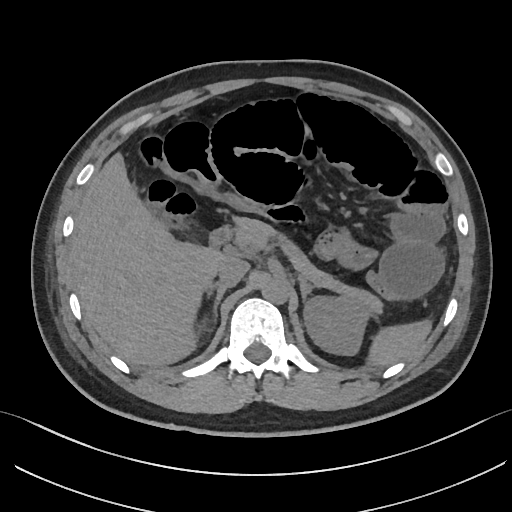
CT abdomen; Axial slice 171/234; soft-tissue window
One row per box, in pixels: columns x1 and y1 give the top-left corner, x2 and y2 the bottom-right.
| organ | x1 | y1 | x2 | y2 |
|---|---|---|---|---|
| pancreas | 234 | 217 | 382 | 313 |
| liver | 69 | 153 | 226 | 365 |
| inferior vena cava | 218 | 258 | 249 | 284 |
| spleen | 367 | 319 | 431 | 365 |
| right adrenal gland | 206 | 282 | 234 | 330 |
| duodenum | 209 | 226 | 232 | 248 |
| left adrenal gland | 299 | 279 | 314 | 302 |
| aorta | 261 | 278 | 288 | 304 |
| left kidney | 303 | 296 | 369 | 355 |